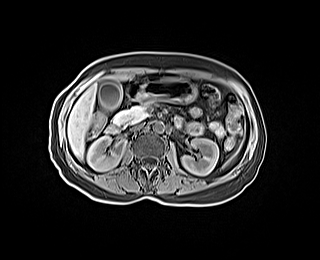

Magnetic resonance imaging, abdomen — axial view — 1st–99th percentile window — 320x260 px — Prisma scanner — scan has 13 labeled organs (a whole-scan count: organs this slice does not pass through have no box)
Organ boxes in pixel coordinates; each row gives the top-left (x1, y1) and bottom-right (x2, y2) corners.
| organ | x1 | y1 | x2 | y2 |
|---|---|---|---|---|
| spleen | 224 | 161 | 229 | 166 |
| right kidney | 87 | 136 | 125 | 170 |
| left kidney | 181 | 138 | 218 | 175 |
| gall bladder | 98 | 79 | 121 | 110 |
| liver | 68 | 75 | 128 | 160 |
| stomach | 136 | 79 | 196 | 103 |
| aorta | 152 | 121 | 164 | 133 |
| inferior vena cava | 131 | 123 | 143 | 130 |
| pancreas | 113 | 103 | 148 | 125 |
| duodenum | 105 | 83 | 183 | 133 |